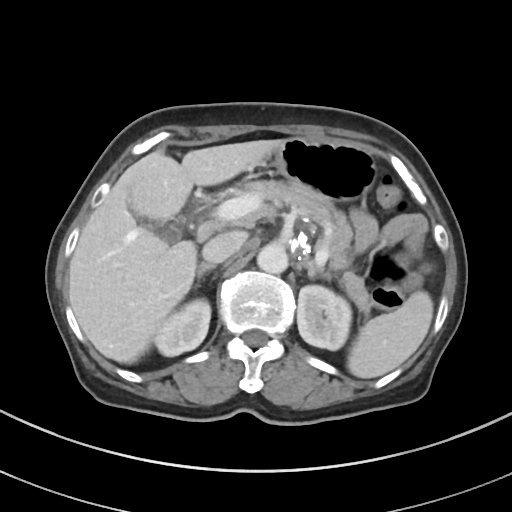
Computed tomography, abdomen — axial plane, index 63 — abdomen soft-tissue window — 512x512 px — scan has 15 labeled organs (a whole-scan count: organs this slice does not pass through have no box)
Boxes: x1:y1:x2:y2 in pixels.
spleen: 347:291:433:378
right kidney: 154:299:210:356
left kidney: 297:285:351:350
gall bladder: 158:226:179:241
liver: 68:140:283:363
stomach: 271:138:376:202
aorta: 257:243:287:273
inferior vena cava: 202:231:246:264
pancreas: 232:180:373:312
right adrenal gland: 196:263:215:280
left adrenal gland: 303:258:329:278